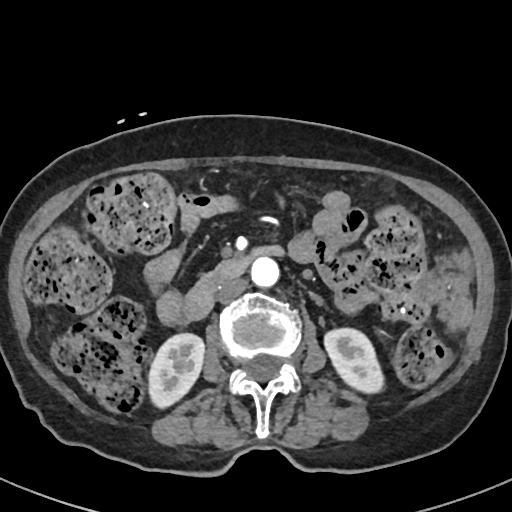

Abdominal CT; axial view; 512x512 px
Coordinates as <box>x1,y1,x2,y2</box> in pixels.
Organ bounding boxes:
- right kidney: <box>148,334,204,410</box>
- left kidney: <box>323,328,382,391</box>
- aorta: <box>251,258,280,287</box>
- inferior vena cava: <box>215,277,248,303</box>
- duodenum: <box>183,246,281,320</box>